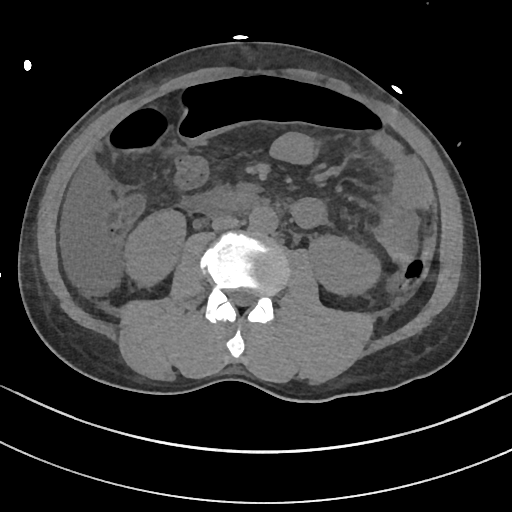 Computed tomography, abdomen — axial view — acquired on SOMATOM Force — 15 organs annotated in this scan (counted over the whole 3D scan, not this slice; an organ is boxed only where this slice passes through it)
Bounding boxes in pixels, one row per box: x1, y1 is the top-left corner and x2, y2 the bottom-right.
| organ | x1 | y1 | x2 | y2 |
|---|---|---|---|---|
| right kidney | 124 | 210 | 185 | 286 |
| left kidney | 309 | 236 | 380 | 294 |
| aorta | 249 | 206 | 278 | 233 |
| inferior vena cava | 212 | 215 | 238 | 230 |
| duodenum | 216 | 185 | 255 | 210 |